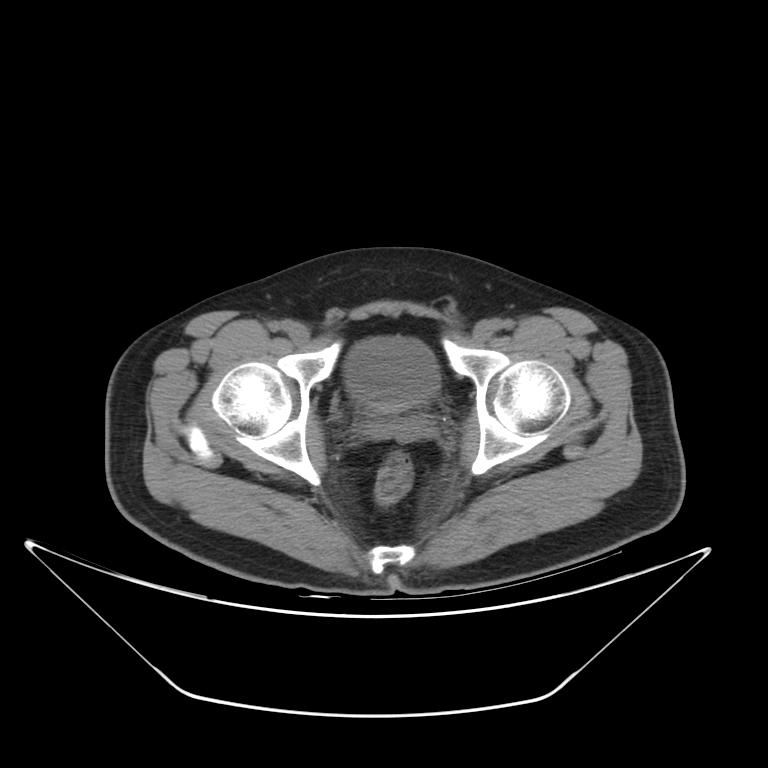 CT, abdomen/pelvis. axial view. soft-tissue window (W 400 / L 40)
Box edges are left/top/right/bottom in pixels.
Organ bounding boxes:
- bladder: left=344, top=336, right=440, bottom=411